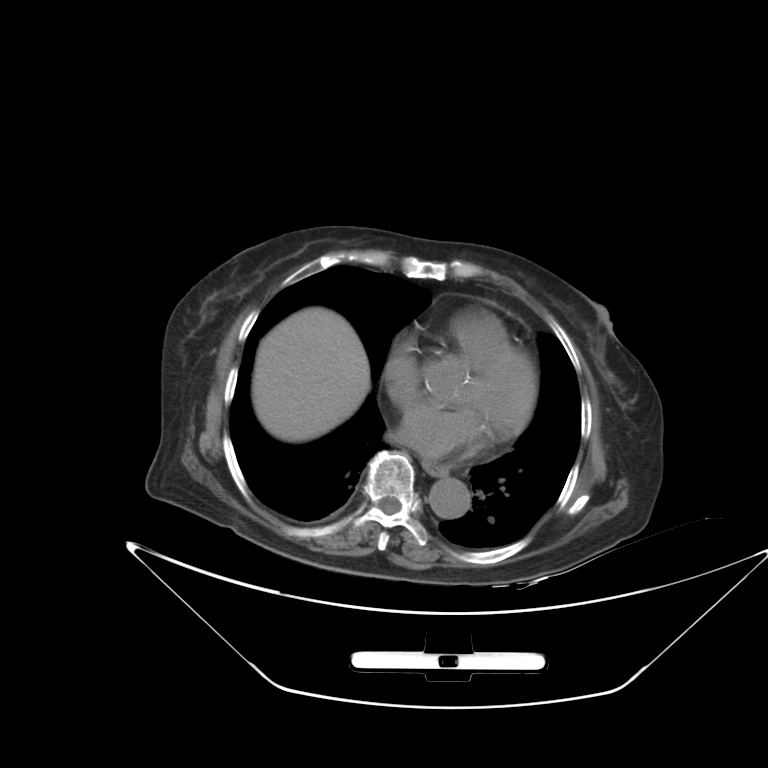

CT, abdomen/pelvis. axial view. soft-tissue window (W 400 / L 40). 15 organs annotated in this scan (a whole-scan count: organs this slice does not pass through have no box)
<organs><organ name="liver" x1="252" y1="307" x2="370" y2="442"/><organ name="aorta" x1="429" y1="477" x2="470" y2="518"/><organ name="esophagus" x1="422" y1="460" x2="446" y2="475"/></organs>